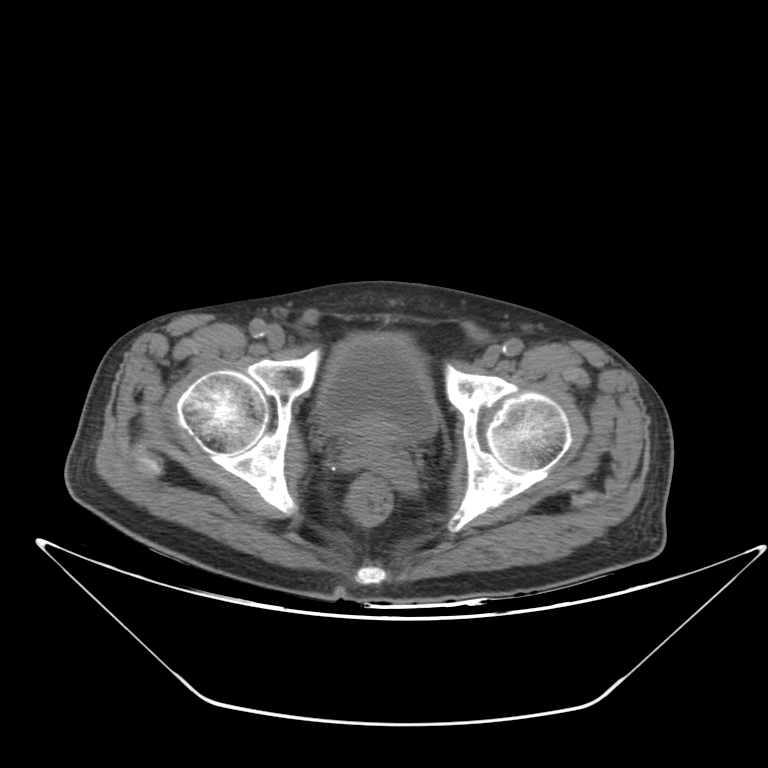 CT abdomen. axial view. 69-year-old male patient. 15 organs annotated in this scan (counted over the whole 3D scan, not this slice; an organ is boxed only where this slice passes through it)
{"organs":{"prostate/uterus":[350,426,407,454],"bladder":[315,331,439,440]}}